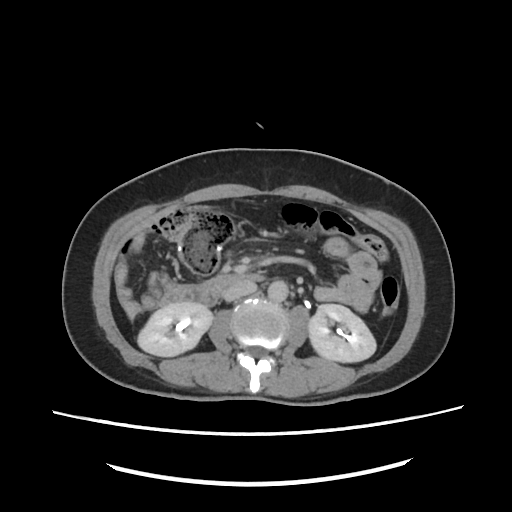 Abdominal CT · Axial slice 55/85
<organs><organ name="right kidney" x1="138" y1="305" x2="211" y2="356"/><organ name="left kidney" x1="308" y1="305" x2="376" y2="362"/><organ name="aorta" x1="268" y1="280" x2="286" y2="300"/><organ name="inferior vena cava" x1="224" y1="281" x2="256" y2="300"/><organ name="duodenum" x1="159" y1="275" x2="264" y2="304"/></organs>